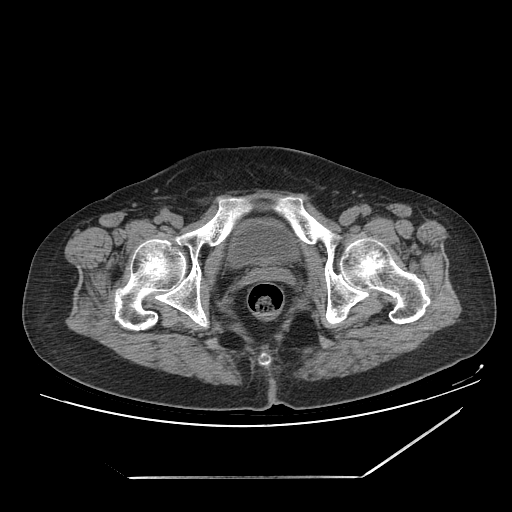

Computed tomography, abdomen; Axial slice 22/163; abdomen soft-tissue window; 512x512 px
Box edges are left/top/right/bottom in pixels. The annotated organs in this slice are: bladder at left=234, top=223, right=292, bottom=262.